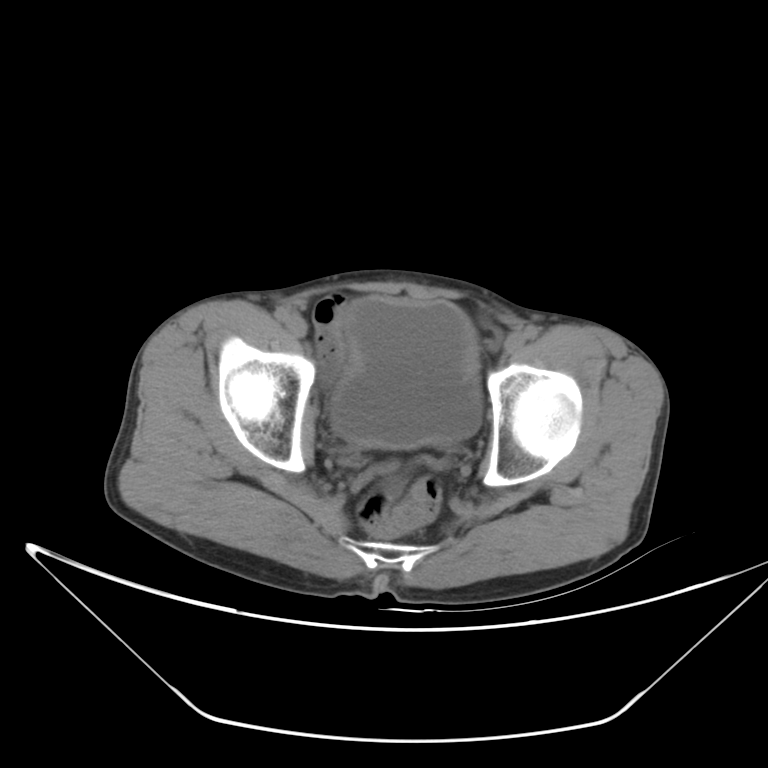
CT, abdomen/pelvis — axial plane, index 23 — scan has 14 labeled organs (counted over the whole 3D scan, not this slice; an organ is boxed only where this slice passes through it)
{"organs":{"bladder":[330,297,480,447]}}